CT, abdomen/pelvis; axial view; abdomen soft-tissue window; 32-year-old female patient
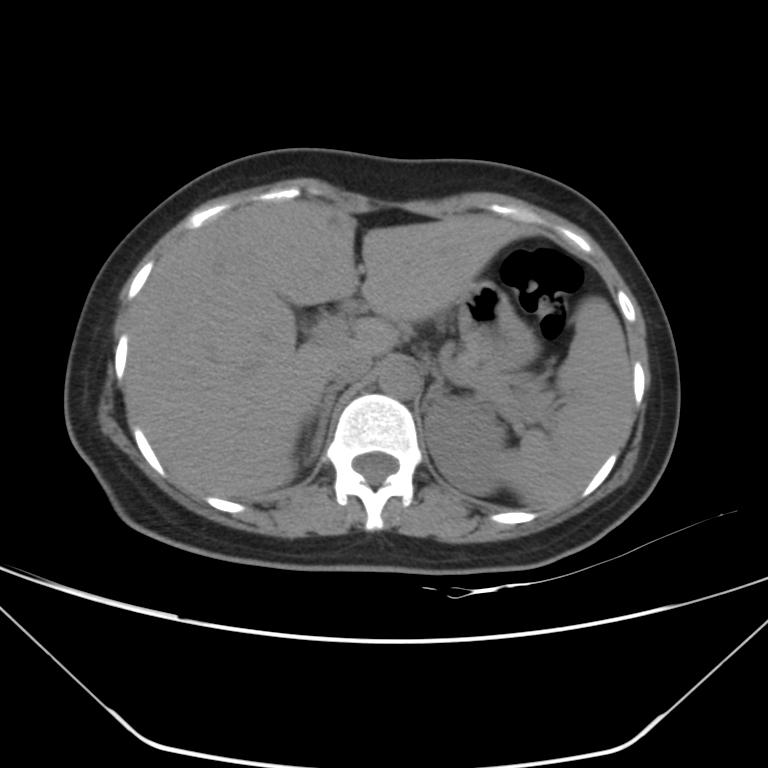 Bounding boxes in pixels, one row per box: x1, y1 is the top-left corner and x2, y2 the bottom-right.
| organ | x1 | y1 | x2 | y2 |
|---|---|---|---|---|
| spleen | 502 | 296 | 630 | 506 |
| left kidney | 425 | 398 | 505 | 495 |
| liver | 125 | 201 | 528 | 498 |
| stomach | 457 | 281 | 539 | 375 |
| aorta | 377 | 359 | 420 | 398 |
| inferior vena cava | 326 | 354 | 371 | 385 |
| pancreas | 477 | 370 | 545 | 417 |
| right adrenal gland | 306 | 386 | 341 | 461 |
| left adrenal gland | 425 | 376 | 447 | 405 |